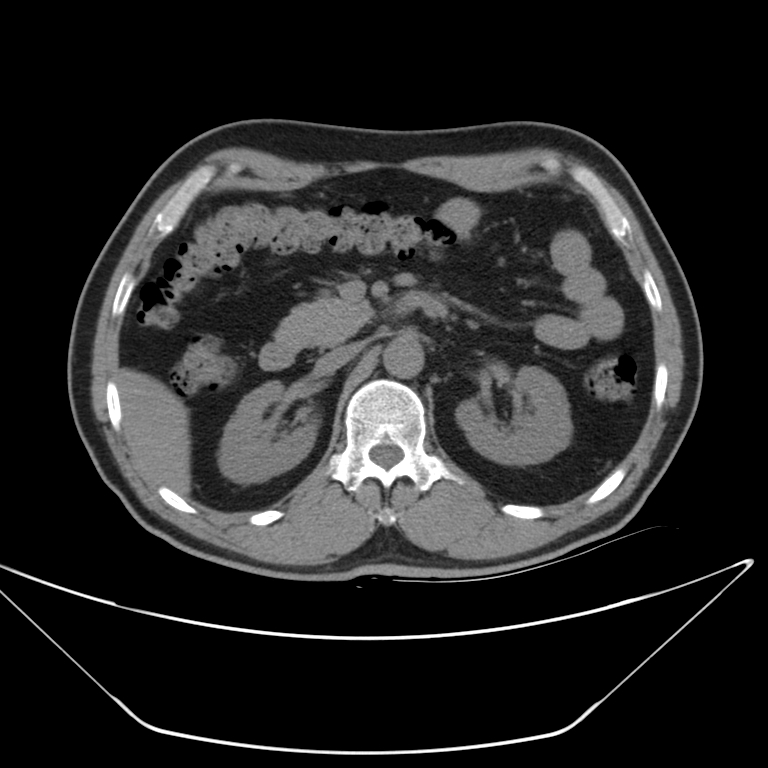

CT abdomen — axial view — soft-tissue window — 768x768 px — scan has 15 labeled organs (counted over the whole 3D scan, not this slice; an organ is boxed only where this slice passes through it)
Bounding boxes as [x1, y1, x2, y2] in pixel coordinates.
right kidney: [217, 379, 319, 483]
left kidney: [457, 365, 570, 463]
liver: [119, 368, 192, 495]
aorta: [383, 337, 425, 378]
inferior vena cava: [318, 348, 356, 370]
pancreas: [276, 294, 370, 347]
duodenum: [260, 290, 426, 369]